Computed tomography, abdomen · axial view · soft-tissue window (W 400 / L 40) · 768x768 px · 40-year-old male patient
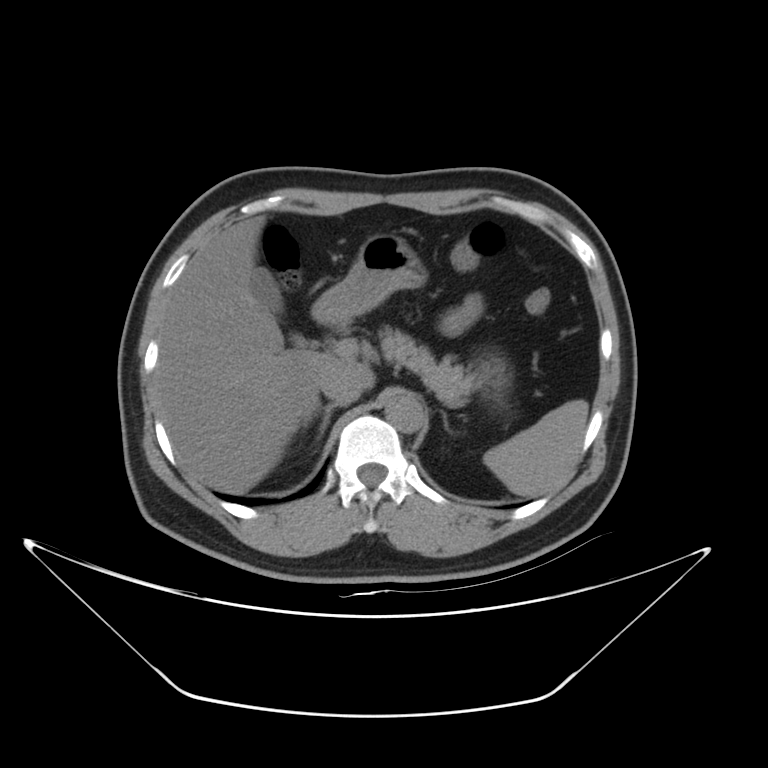

{"organs":{"spleen":[483,399,588,496],"gall bladder":[249,267,308,346],"liver":[153,216,374,494],"stomach":[312,233,509,397],"aorta":[384,397,423,432],"inferior vena cava":[318,366,362,405],"pancreas":[379,326,478,406],"right adrenal gland":[304,403,337,421],"left adrenal gland":[445,418,447,428]}}